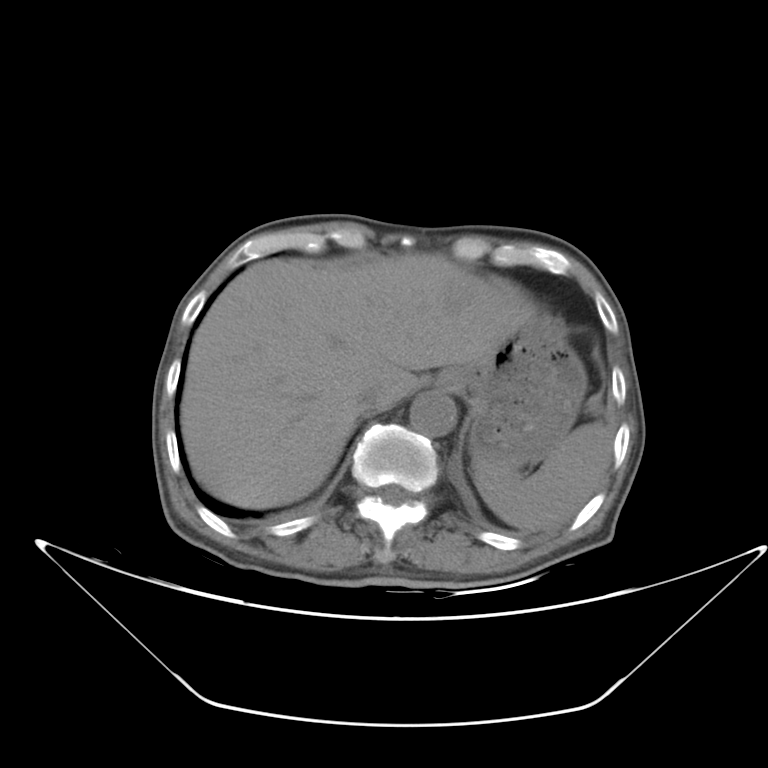 CT, abdomen/pelvis — Axial slice 78/90 — Brilliance16 scanner
<organs><organ name="stomach" x1="450" y1="314" x2="584" y2="469"/><organ name="liver" x1="181" y1="253" x2="537" y2="507"/><organ name="inferior vena cava" x1="356" y1="380" x2="377" y2="407"/><organ name="spleen" x1="472" y1="423" x2="611" y2="527"/><organ name="aorta" x1="409" y1="390" x2="458" y2="436"/><organ name="esophagus" x1="436" y1="368" x2="452" y2="386"/></organs>